Computed tomography, abdomen; axial view; 512x512 px; scan has 15 labeled organs (counted over the whole 3D scan, not this slice; an organ is boxed only where this slice passes through it)
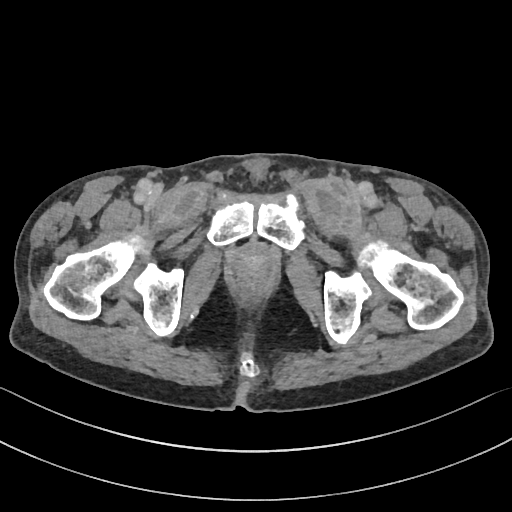

Boxes are (x1, y1, x2, y2) in pixels.
prostate/uterus: (233, 243, 268, 276)